CT abdomen; axial view; 512x512 px; acquired on SOMATOM Force; 14 organs annotated in this scan (that count is for the whole scan; organs this slice misses have no box)
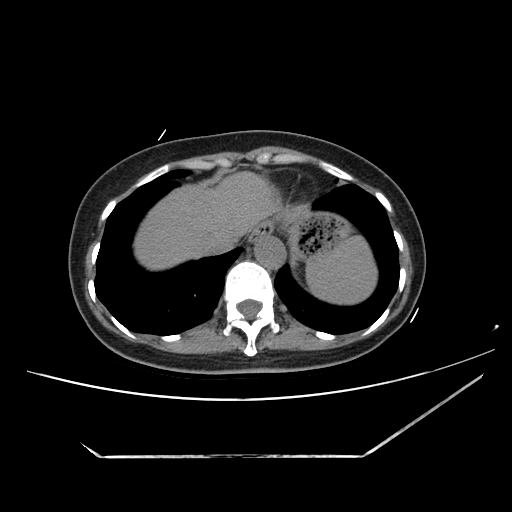
Bounding boxes in pixels, one row per box: x1, y1 is the top-left corner and x2, y2 the bottom-right.
| organ | x1 | y1 | x2 | y2 |
|---|---|---|---|---|
| inferior vena cava | 207 | 231 | 239 | 254 |
| esophagus | 248 | 222 | 272 | 243 |
| stomach | 290 | 212 | 349 | 258 |
| spleen | 306 | 237 | 376 | 304 |
| liver | 134 | 171 | 279 | 270 |
| aorta | 254 | 235 | 285 | 268 |